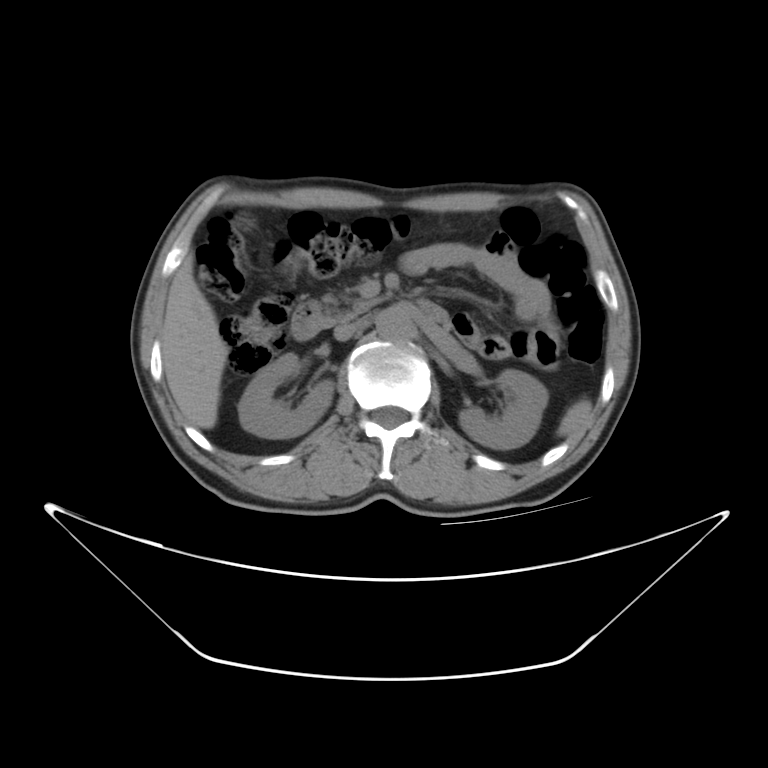
Computed tomography, abdomen · axial plane, index 61 · scan has 15 labeled organs (counted over the whole 3D scan, not this slice; an organ is boxed only where this slice passes through it)
<organs><organ name="liver" x1="162" y1="259" x2="227" y2="428"/><organ name="pancreas" x1="318" y1="289" x2="376" y2="326"/><organ name="aorta" x1="374" y1="308" x2="412" y2="338"/><organ name="left kidney" x1="457" y1="370" x2="548" y2="448"/><organ name="right kidney" x1="237" y1="352" x2="334" y2="437"/><organ name="spleen" x1="555" y1="397" x2="593" y2="438"/><organ name="duodenum" x1="291" y1="299" x2="451" y2="339"/><organ name="inferior vena cava" x1="334" y1="316" x2="374" y2="339"/></organs>